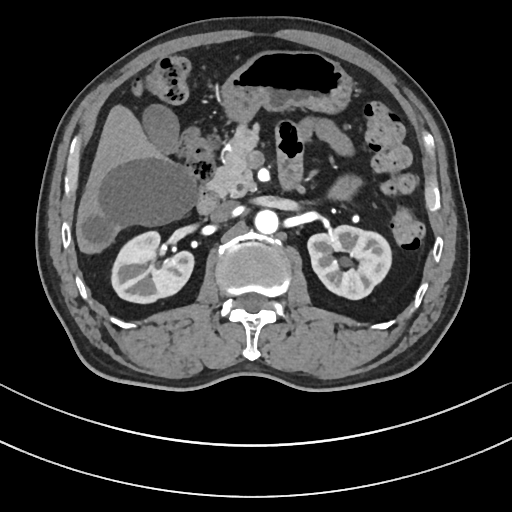
Computed tomography, abdomen. axial plane, index 134. W/L 400/40 HU
{"organs":{"duodenum":[196,168,301,213],"inferior vena cava":[210,201,237,221],"right kidney":[111,230,192,302],"gall bladder":[143,107,178,152],"stomach":[223,49,350,120],"pancreas":[208,126,257,197],"left kidney":[308,226,392,299],"liver":[77,106,195,253],"aorta":[253,209,278,233]}}